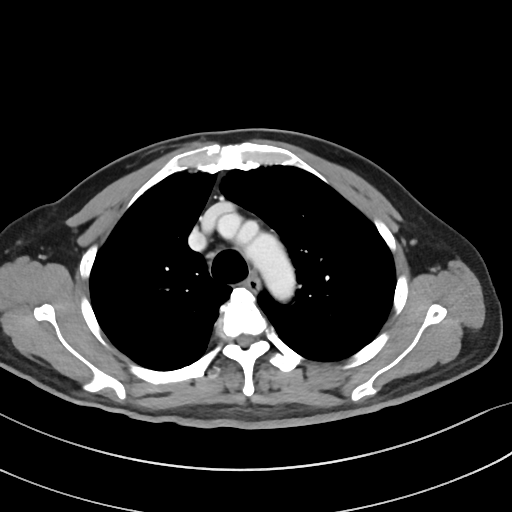
Abdominal CT reaching into the chest; this slice is in the chest. axial plane, index 109. soft-tissue window (W 400 / L 40)
At this level of the chest this dataset labels only the esophagus and the aorta, and each is boxed only where it is labeled; the heart and lungs are never labeled.
<organs><organ name="esophagus" x1="245" y1="275" x2="260" y2="291"/><organ name="aorta" x1="237" y1="222" x2="295" y2="301"/></organs>